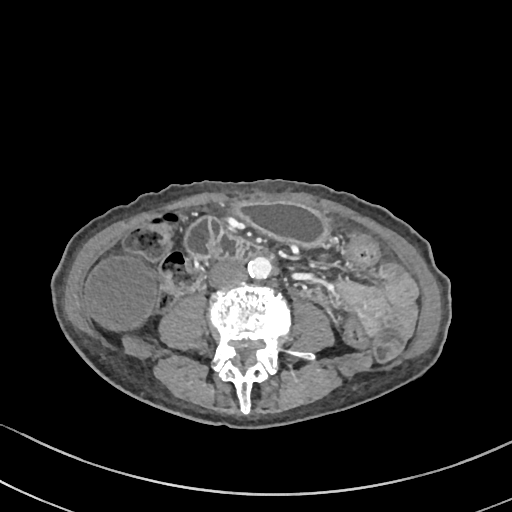 CT abdomen. Axial slice 134/236. W/L 400/40 HU. 512x512 px. 15 organs annotated in this scan (counted over the whole 3D scan, not this slice; an organ is boxed only where this slice passes through it)
{"organs":{"gall bladder":[85,255,156,330],"stomach":[232,202,330,248],"aorta":[247,257,271,279],"inferior vena cava":[209,263,245,287],"duodenum":[185,217,267,262]}}